CT of the abdomen extending into the chest, slice through the chest · Axial slice 110/123 · acquired on Aquilion ONE · scan has 15 labeled organs (counted over the whole 3D scan, not this slice; an organ is boxed only where this slice passes through it)
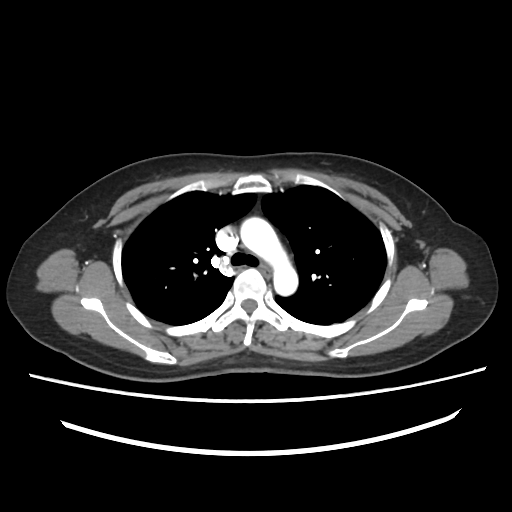 On a slice this high in the chest, this dataset labels only the esophagus and the aorta, and each is boxed only where it is labeled; the heart, lungs and other chest structures are not labeled.
<organs><organ name="aorta" x1="240" y1="217" x2="298" y2="295"/><organ name="esophagus" x1="259" y1="266" x2="272" y2="278"/></organs>